Abdominal CT — axial view — 512x512 px — scan has 15 labeled organs (a whole-scan count: organs this slice does not pass through have no box)
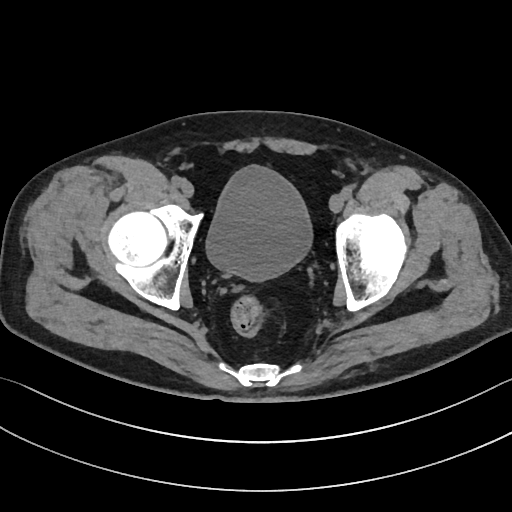 Coordinates as <box>x1,y1,x2,y2</box> in pixels.
bladder: <box>207,165,310,281</box>